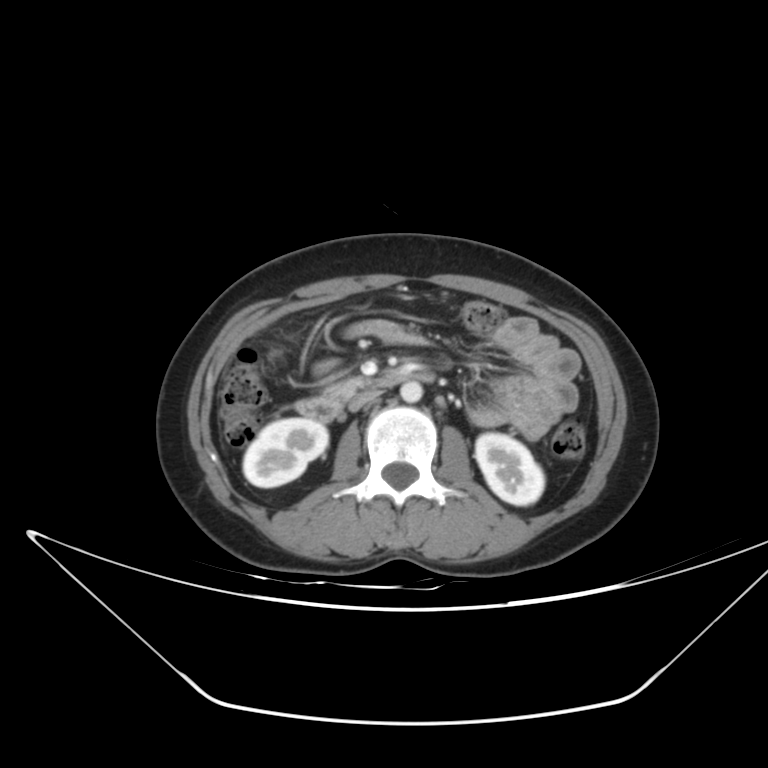
CT abdomen. axial view. soft-tissue window (W 400 / L 40). 34-year-old female patient. scan has 13 labeled organs (a whole-scan count: organs this slice does not pass through have no box)
Boxes are (x1, y1, x2, y2) in pixels.
aorta: (400, 381, 422, 402)
duodenum: (295, 371, 430, 422)
right kidney: (243, 418, 328, 487)
left kidney: (475, 433, 544, 505)
inferior vena cava: (349, 389, 380, 411)
pancreas: (326, 377, 367, 399)